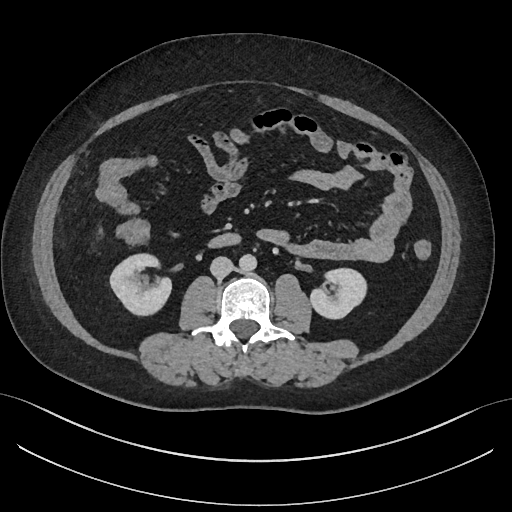
CT, abdomen/pelvis. axial view. abdomen soft-tissue window. 512x512 px. scan has 15 labeled organs (counted over the whole 3D scan, not this slice; an organ is boxed only where this slice passes through it)
<organs><organ name="right kidney" x1="110" y1="253" x2="171" y2="315"/><organ name="left kidney" x1="310" y1="268" x2="366" y2="318"/><organ name="aorta" x1="239" y1="254" x2="256" y2="272"/><organ name="inferior vena cava" x1="210" y1="256" x2="233" y2="277"/><organ name="duodenum" x1="208" y1="233" x2="240" y2="248"/></organs>